Magnetic resonance imaging, abdomen — axial view
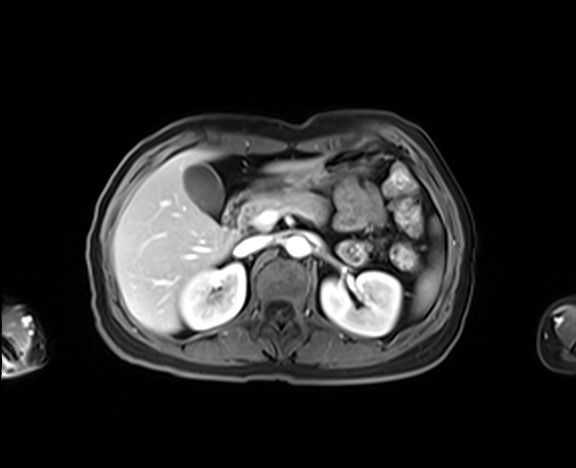

Each box given as x1,y1,x2,y2.
spleen: x1=416, y1=218, x2=443, y2=311
right kidney: x1=179, y1=263, x2=245, y2=329
left kidney: x1=321, y1=271, x2=401, y2=335
gall bladder: x1=183, y1=163, x2=223, y2=212
liver: x1=113, y1=149, x2=319, y2=333
stomach: x1=252, y1=150, x2=369, y2=194
aorta: x1=285, y1=237, x2=309, y2=258
inferior vena cava: x1=235, y1=235, x2=271, y2=255
pancreas: x1=243, y1=189, x2=325, y2=226
duodenum: x1=224, y1=192, x2=251, y2=238